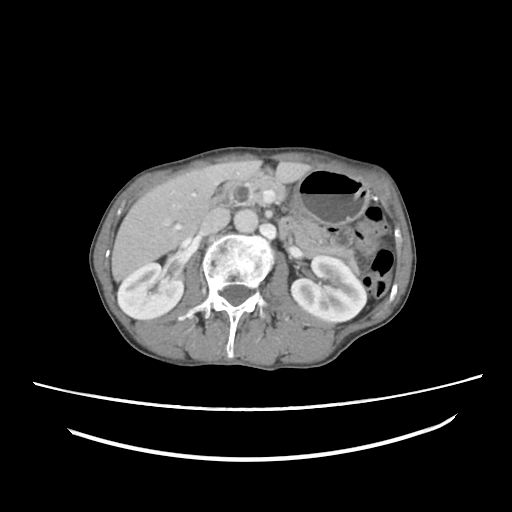

Computed tomography, abdomen — axial view — soft-tissue window — 512x512 px
Bounding boxes in pixels, one row per box: x1, y1 is the top-left corner and x2, y2 the bottom-right.
| organ | x1 | y1 | x2 | y2 |
|---|---|---|---|---|
| aorta | 234 | 209 | 258 | 232 |
| inferior vena cava | 200 | 208 | 230 | 234 |
| duodenum | 208 | 180 | 243 | 207 |
| liver | 111 | 159 | 311 | 281 |
| left kidney | 291 | 256 | 366 | 322 |
| stomach | 290 | 169 | 370 | 225 |
| pancreas | 244 | 173 | 358 | 272 |
| right kidney | 117 | 263 | 183 | 319 |